CT abdomen · axial view · scan has 15 labeled organs (a whole-scan count: organs this slice does not pass through have no box)
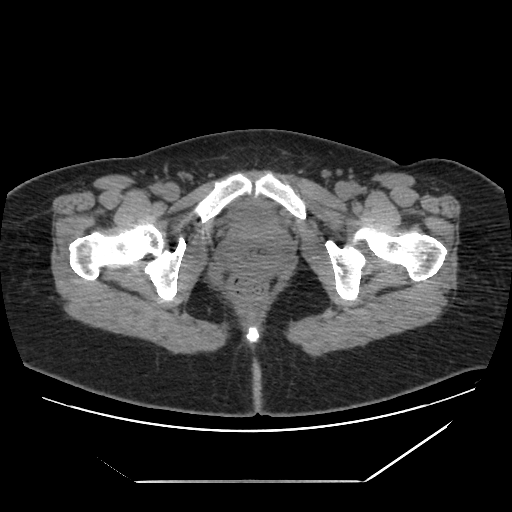
Bounding boxes in pixels, one row per box: x1, y1 is the top-left corner and x2, y2 the bottom-right.
| organ | x1 | y1 | x2 | y2 |
|---|---|---|---|---|
| bladder | 236 | 202 | 274 | 225 |